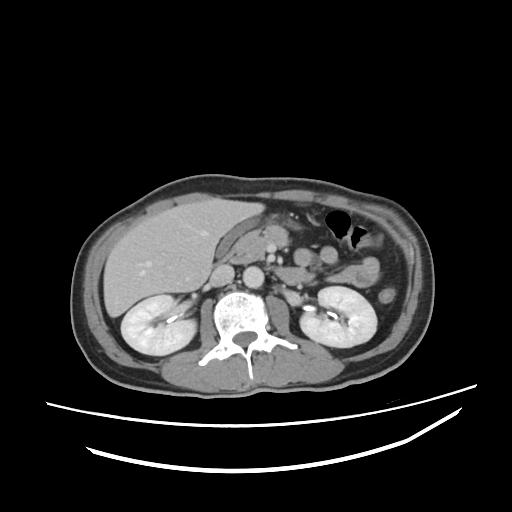

CT abdomen; axial view
Bounding boxes as [x1, y1, x2, y2] in pixel coordinates.
Organ bounding boxes:
- right kidney: [121, 295, 195, 355]
- left kidney: [300, 286, 376, 347]
- gall bladder: [216, 218, 256, 256]
- liver: [103, 198, 264, 317]
- stomach: [268, 214, 297, 228]
- aorta: [243, 266, 264, 288]
- inferior vena cava: [209, 264, 234, 286]
- pancreas: [230, 225, 288, 263]
- duodenum: [222, 248, 309, 284]